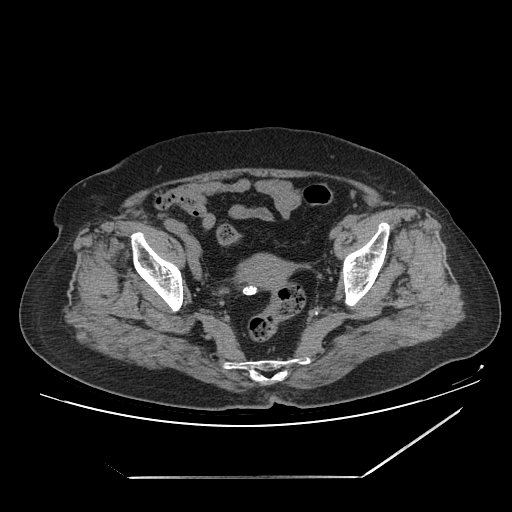

CT, abdomen/pelvis — Axial slice 39/163 — soft-tissue window (W 400 / L 40) — scan has 15 labeled organs (a whole-scan count: organs this slice does not pass through have no box)
{"organs":{"prostate/uterus":[238,254,292,290]}}